CT abdomen — Axial slice 49/85 — soft-tissue window — 31-year-old female patient — Aquilion ONE scanner — 15 organs annotated in this scan (that count is for the whole scan; organs this slice misses have no box)
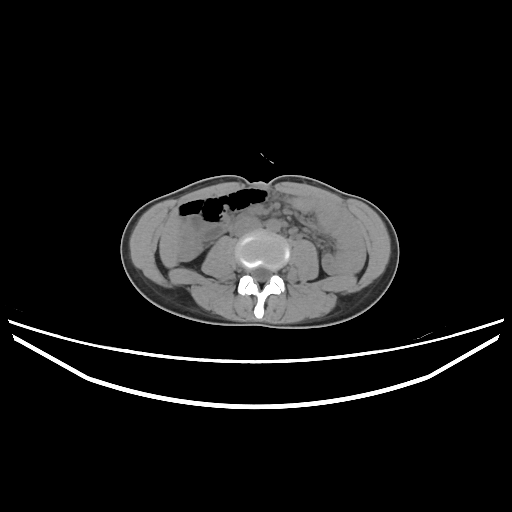 {"organs":{"liver":[159,209,178,267],"aorta":[266,219,281,232],"inferior vena cava":[232,217,261,236]}}